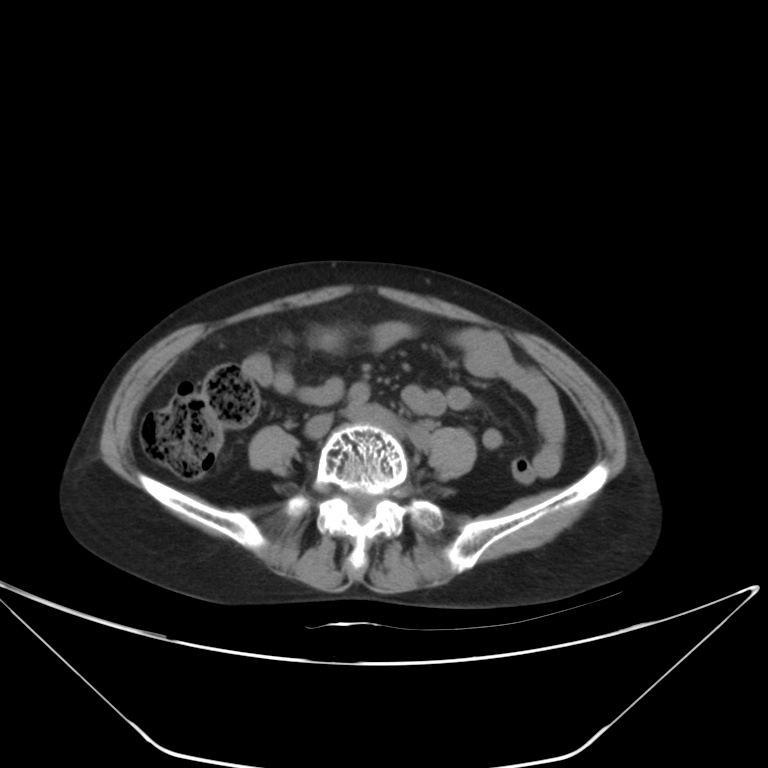
CT abdomen; axial view; W/L 400/40 HU; 768x768 px
Box edges are left/top/right/bottom in pixels.
stomach: left=317, top=329, right=340, bottom=343